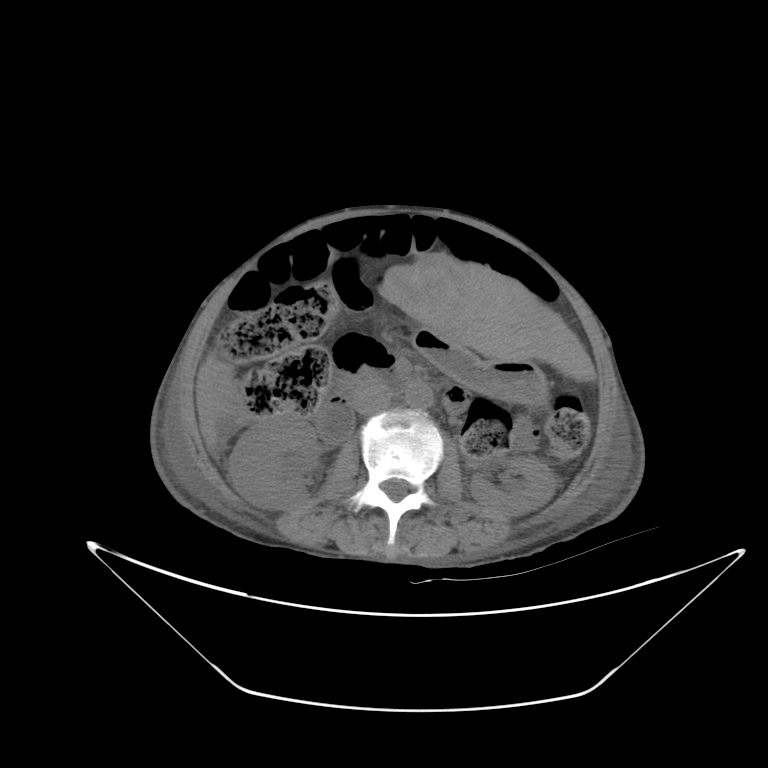

Abdominal CT — axial plane, index 59 — abdomen soft-tissue window
{"organs":{"right kidney":[229,413,319,509],"left kidney":[470,458,555,516],"liver":[195,252,596,446],"stomach":[409,328,548,403],"aorta":[405,385,433,408],"inferior vena cava":[352,383,391,415],"duodenum":[313,360,423,443]}}